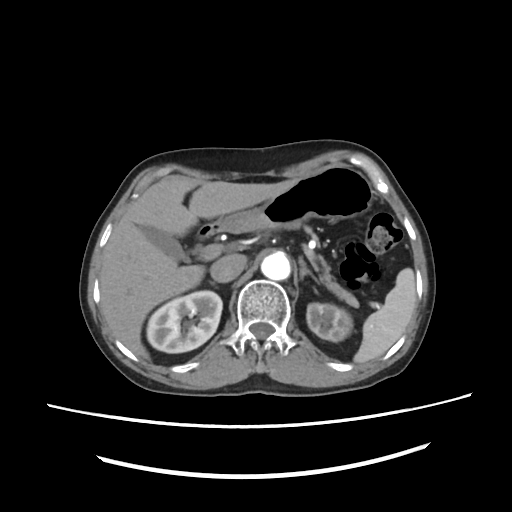 Computed tomography, abdomen — axial view — soft-tissue window (W 400 / L 40)
{"organs":{"spleen":[354,269,415,362],"right kidney":[145,290,221,352],"left kidney":[306,303,353,341],"gall bladder":[138,225,183,260],"liver":[101,177,298,360],"stomach":[216,163,374,232],"aorta":[260,252,290,279],"inferior vena cava":[211,255,246,281],"pancreas":[319,257,358,309],"right adrenal gland":[209,280,215,285],"left adrenal gland":[299,257,321,283],"duodenum":[199,223,224,239]}}